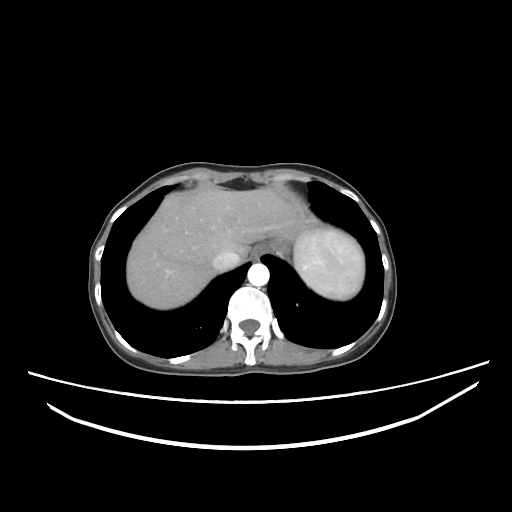

Computed tomography, abdomen · axial view · soft-tissue window
Each box given as x1,y1,x2,y2.
spleen: x1=293, y1=228, x2=364, y2=299
aorta: x1=247, y1=263, x2=269, y2=286
inferior vena cava: x1=212, y1=251, x2=240, y2=271
esophagus: x1=250, y1=243, x2=268, y2=260
stomach: x1=274, y1=242, x2=289, y2=253
liver: x1=127, y1=186, x2=316, y2=309